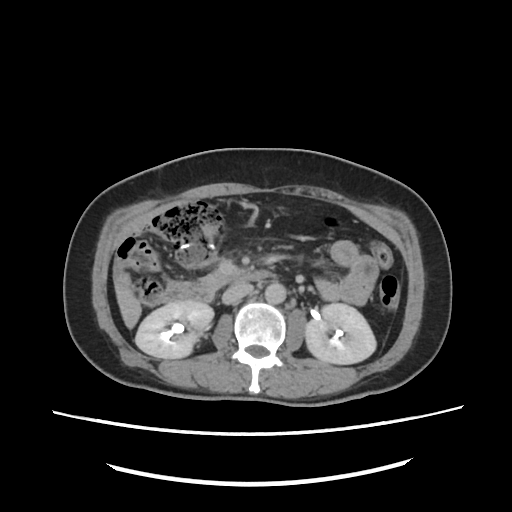
Abdominal CT · Axial slice 57/85 · 512x512 px
Coordinates as <box>x1,y1,x2,y2</box> in pixels. Labeled organs on this slice: right kidney at <box>136,303,213,358</box>, left kidney at <box>306,303,376,364</box>, liver at <box>115,281,140,329</box>, aorta at <box>264,282,284,302</box>, inferior vena cava at <box>222,282,252,304</box>, pancreas at <box>199,267,249,287</box>, duodenum at <box>161,269,273,301</box>.